Chest-level CT slice, above the liver and spleen; axial view; soft-tissue window
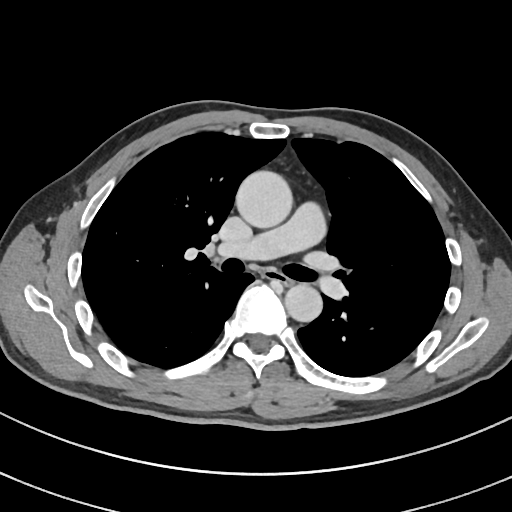

On a slice this high in the chest, this dataset labels only the esophagus and the aorta, and each is boxed only where it is labeled; the heart, lungs and other chest structures are not labeled.
<organs><organ name="aorta" x1="235" y1="170" x2="292" y2="228"/><organ name="aorta" x1="284" y1="283" x2="322" y2="322"/><organ name="esophagus" x1="263" y1="270" x2="292" y2="284"/></organs>